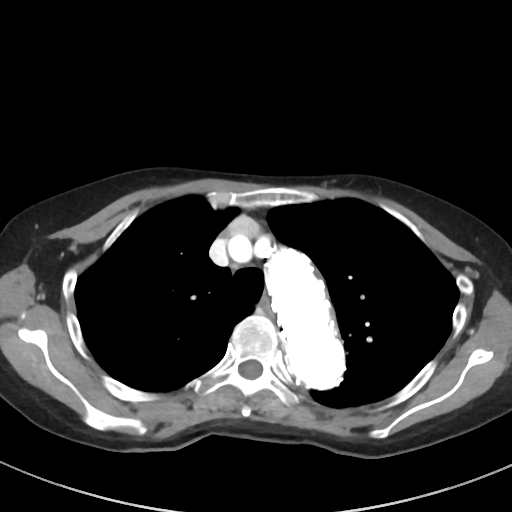

Abdominal CT reaching into the chest; this slice is in the chest; axial plane, index 103; SOMATOM Force scanner
On a slice this high in the chest, this dataset labels only the esophagus and the aorta, and each is boxed only where it is labeled; the heart, lungs and other chest structures are not labeled.
One row per box, in pixels: columns x1 and y1 give the top-left corner, x2 and y2 the bottom-right.
| organ | x1 | y1 | x2 | y2 |
|---|---|---|---|---|
| esophagus | 261 | 297 | 272 | 311 |
| aorta | 266 | 249 | 344 | 389 |